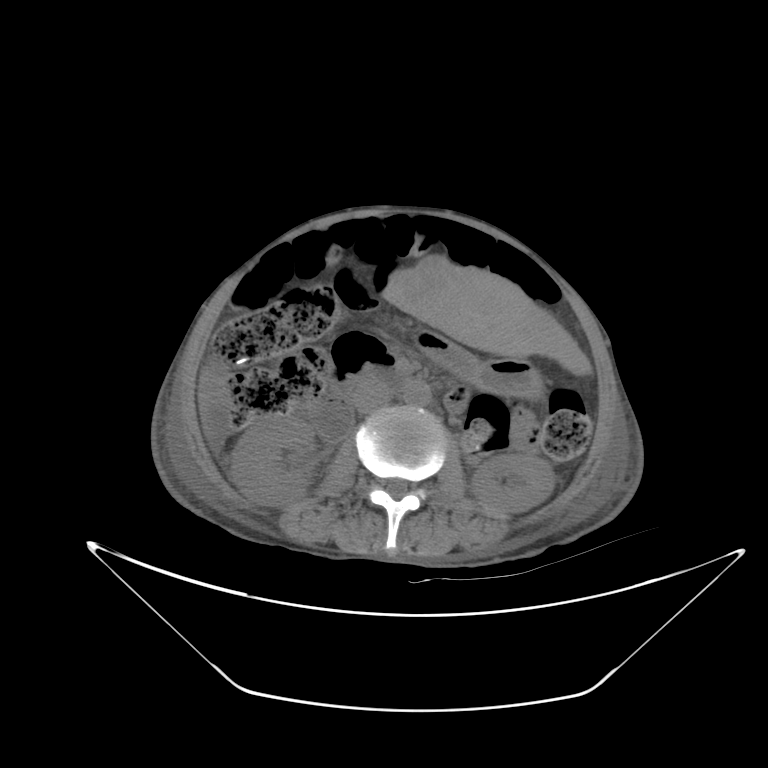
CT, abdomen/pelvis · axial view · 56-year-old male patient
{"organs":{"right kidney":[230,413,316,505],"left kidney":[472,454,553,512],"liver":[197,255,592,434],"stomach":[415,330,542,393],"aorta":[403,382,431,407],"inferior vena cava":[352,382,390,413],"duodenum":[307,363,414,441]}}